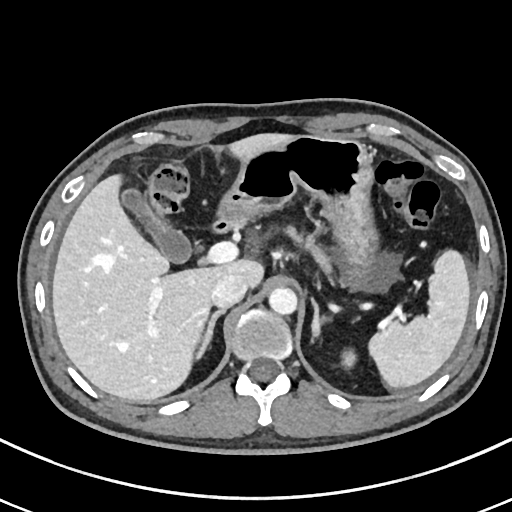
CT, abdomen/pelvis. axial view. soft-tissue window (W 400 / L 40). 512x512 px. 15 organs annotated in this scan (a whole-scan count: organs this slice does not pass through have no box)
One row per box, in pixels: columns x1 and y1 give the top-left corner, x2 and y2 the bottom-right.
| organ | x1 | y1 | x2 | y2 |
|---|---|---|---|---|
| spleen | 369 | 250 | 470 | 387 |
| left kidney | 340 | 349 | 355 | 366 |
| gall bladder | 122 | 189 | 191 | 263 |
| liver | 51 | 134 | 289 | 402 |
| stomach | 215 | 135 | 377 | 271 |
| aorta | 268 | 286 | 296 | 314 |
| inferior vena cava | 210 | 273 | 247 | 308 |
| pancreas | 285 | 225 | 335 | 285 |
| right adrenal gland | 193 | 310 | 225 | 360 |
| left adrenal gland | 310 | 296 | 329 | 337 |
| duodenum | 210 | 218 | 235 | 235 |